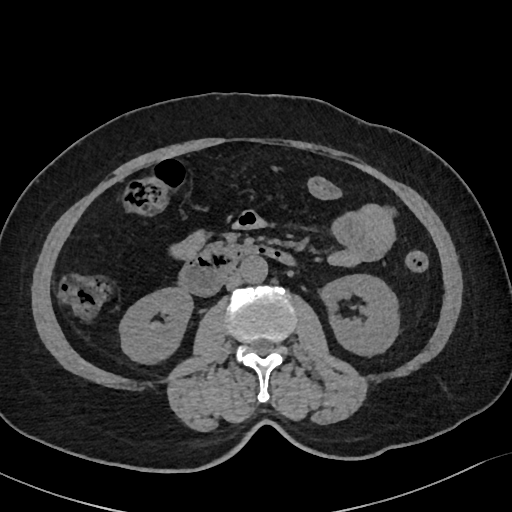
CT abdomen; axial view; abdomen soft-tissue window; 512x512 px; 15 organs annotated in this scan (a whole-scan count: organs this slice does not pass through have no box)
<organs><organ name="right kidney" x1="120" y1="287" x2="191" y2="361"/><organ name="left kidney" x1="320" y1="274" x2="399" y2="353"/><organ name="inferior vena cava" x1="224" y1="272" x2="243" y2="289"/><organ name="duodenum" x1="180" y1="244" x2="290" y2="295"/><organ name="aorta" x1="240" y1="256" x2="268" y2="282"/></organs>